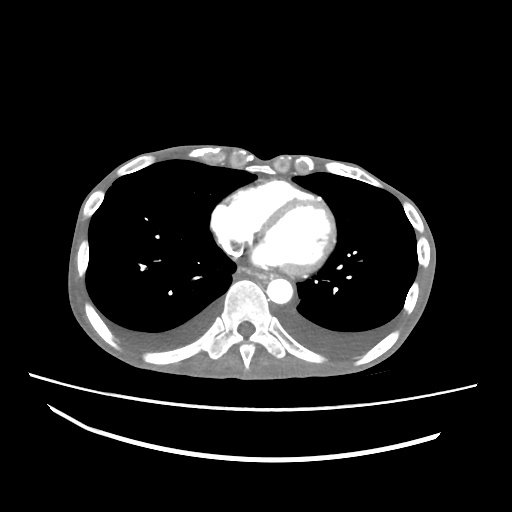

Abdominal CT; this slice is in the lower chest, just above the liver · Axial slice 85/123 · soft-tissue window (W 400 / L 40) · 47-year-old male patient · scan has 15 labeled organs (that count is for the whole scan; organs this slice misses have no box)
No part of the heart or lungs is labeled in this dataset, so neither has a box here.
Each box given as x1,y1,x2,y2.
esophagus: x1=237, y1=267, x2=268, y2=280
aorta: x1=266, y1=278, x2=292, y2=303